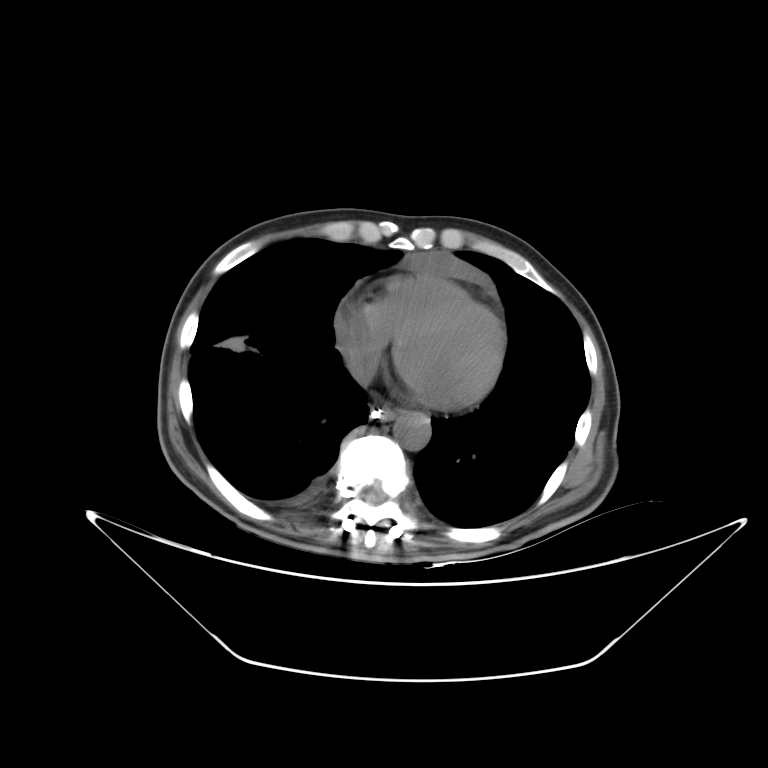
CT of the abdomen reaching into the lower chest, slice just above the liver and spleen; axial view
The heart and lungs are never labeled in this dataset, so they have no box on this slice. Bounding boxes as [x1, y1, x2, y2] in pixel coordinates. The annotated organs in this slice are: esophagus at [370, 408, 393, 419], aorta at [393, 412, 430, 449].